Computed tomography, abdomen; axial view; 512x512 px
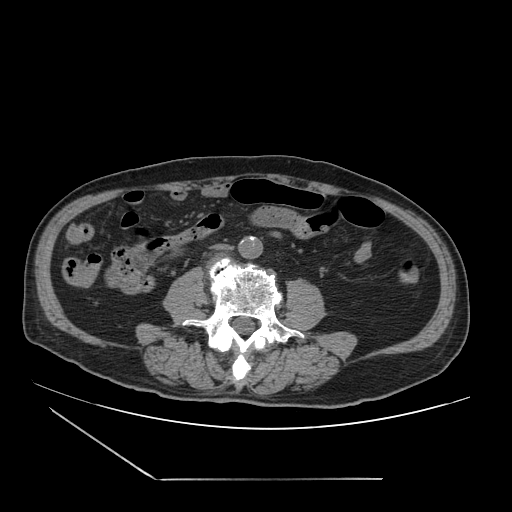
Bounding boxes as [x1, y1, x2, y2] in pixel coordinates. 2 labeled organs on this slice — aorta at [238, 236, 263, 258]; inferior vena cava at [212, 242, 233, 250].